Abdominal CT; this slice is in the lower chest, just above the liver — axial view — 512x512 px — acquired on SOMATOM Force — 15 organs annotated in this scan (counted over the whole 3D scan, not this slice; an organ is boxed only where this slice passes through it)
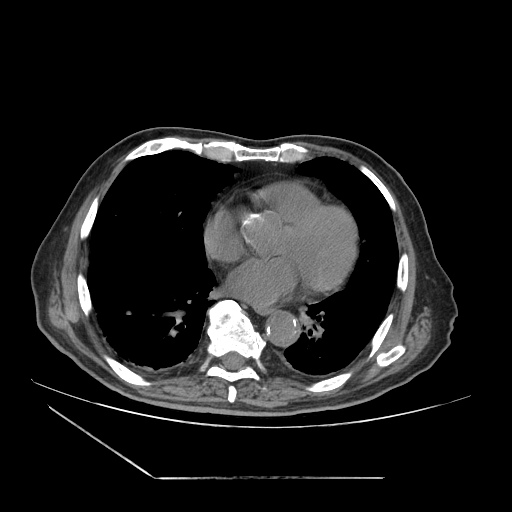 The heart and lungs are never labeled in this dataset, so they have no box on this slice.
Bounding boxes as [x1, y1, x2, y2] in pixel coordinates.
Organ bounding boxes:
- esophagus: [253, 306, 273, 313]
- aorta: [266, 312, 300, 347]